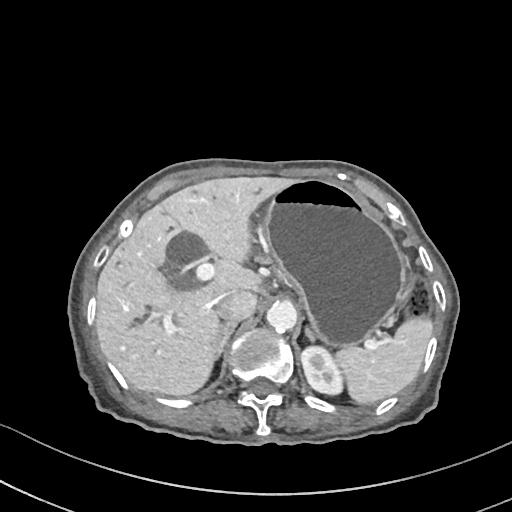 CT, abdomen/pelvis; Axial slice 185/236; 512x512 px; SOMATOM Force scanner
Boxes: x1:y1:x2:y2 in pixels.
Organ bounding boxes:
- stomach: 265:179:406:347
- liver: 96:177:298:396
- inferior vena cava: 216:290:257:322
- left kidney: 301:346:342:394
- spleen: 335:316:433:404
- gall bladder: 172:275:198:293
- aorta: 266:301:296:332
- right adrenal gland: 214:323:237:360
- left adrenal gland: 305:327:315:341